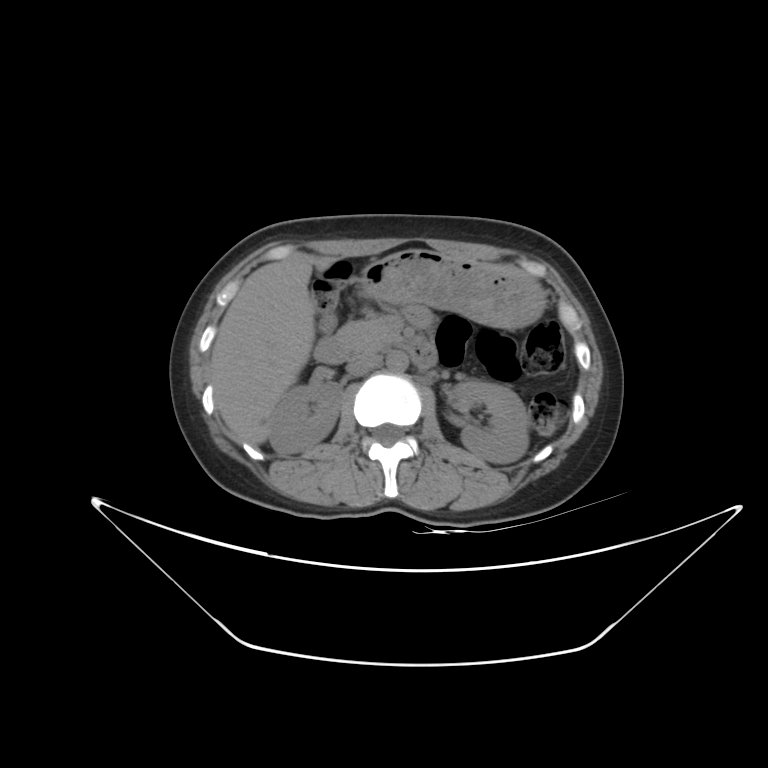 Computed tomography, abdomen · axial view · W/L 400/40 HU · 768x768 px
Coordinates as <box>x1,y1,x2,y2</box> in pixels.
Organ bounding boxes:
- right kidney: <box>269,380,342,453</box>
- left kidney: <box>449,380,529,463</box>
- gall bladder: <box>320,316,336,331</box>
- liver: <box>209,260,332,445</box>
- stomach: <box>360,250,544,329</box>
- aorta: <box>386,350,408,371</box>
- inferior vena cava: <box>346,353,381,376</box>
- pancreas: <box>336,317,401,354</box>
- duodenum: <box>314,336,437,368</box>